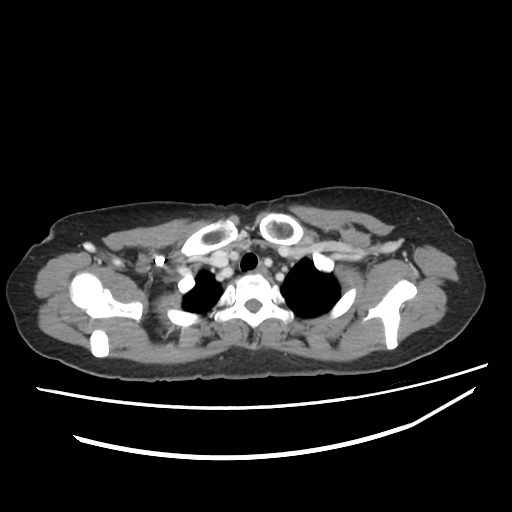

Abdominal CT reaching into the chest; this slice is in the chest. axial view. soft-tissue window (W 400 / L 40). 54-year-old female patient
On a slice this high in the chest, this dataset labels only the esophagus and the aorta, and each is boxed only where it is labeled; the heart, lungs and other chest structures are not labeled.
Boxes are (x1, y1, x2, y2) in pixels.
esophagus: (256, 264, 267, 274)